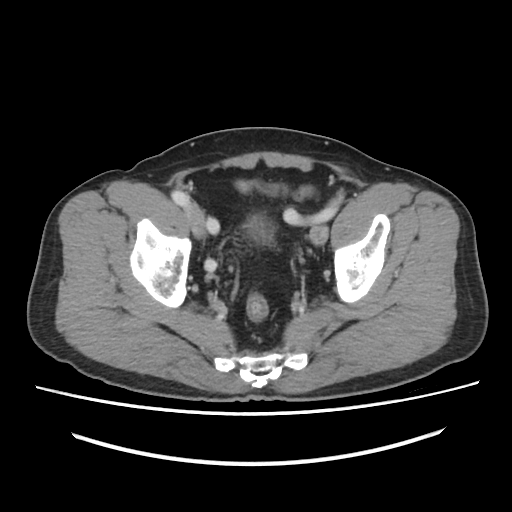
CT abdomen — axial view — 512x512 px — 58-year-old male patient — acquired on Aquilion ONE
<organs><organ name="bladder" x1="248" y1="217" x2="265" y2="236"/></organs>